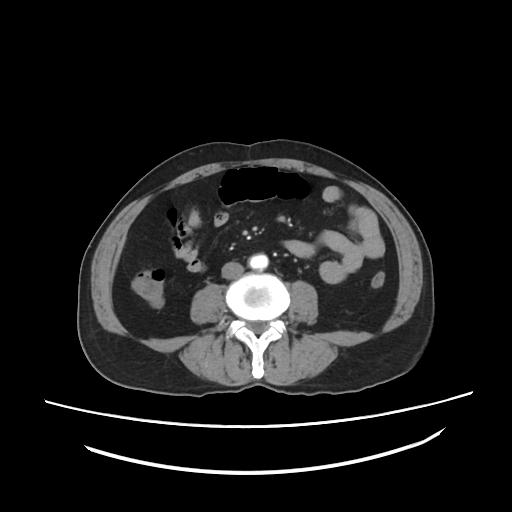
Abdominal CT · axial view · soft-tissue window · 512x512 px
<organs><organ name="aorta" x1="245" y1="254" x2="270" y2="269"/><organ name="inferior vena cava" x1="221" y1="262" x2="243" y2="279"/></organs>